CT, abdomen/pelvis · axial view · SOMATOM Force scanner
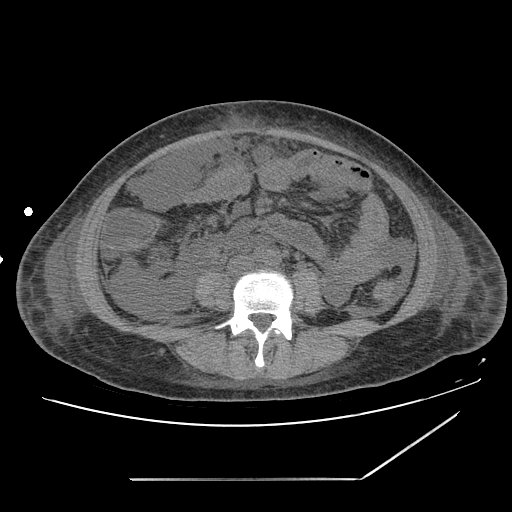 Bounding boxes in pixels, one row per box: x1, y1 is the top-left corner and x2, y2 the bottom-right.
| organ | x1 | y1 | x2 | y2 |
|---|---|---|---|---|
| inferior vena cava | 227 | 256 | 254 | 276 |